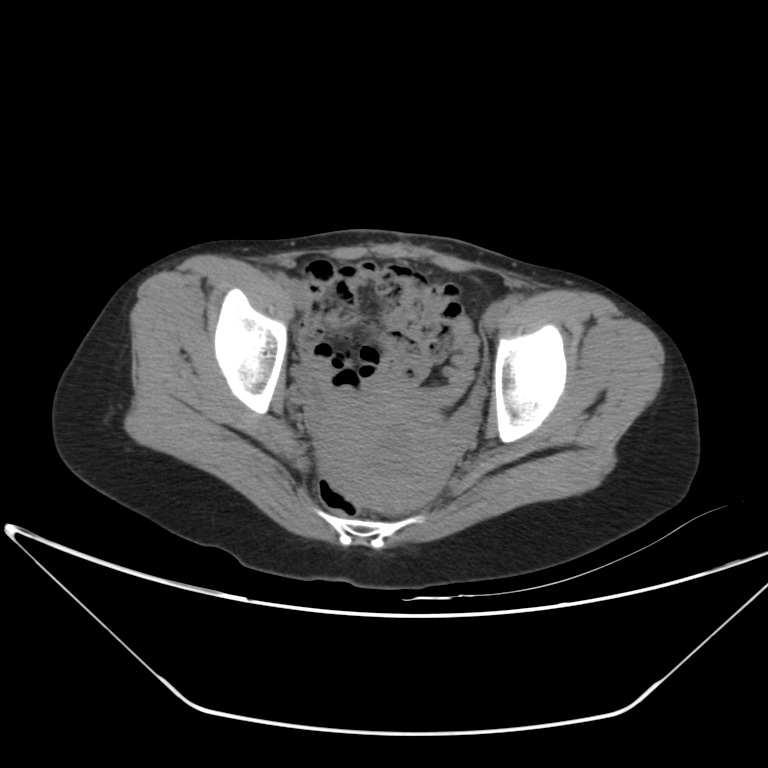 CT, abdomen/pelvis — axial plane, index 18 — 768x768 px — Brilliance16 scanner
Bounding boxes in pixels, one row per box: x1, y1 is the top-left corner and x2, y2 the bottom-right.
| organ | x1 | y1 | x2 | y2 |
|---|---|---|---|---|
| prostate/uterus | 310 | 383 | 455 | 512 |